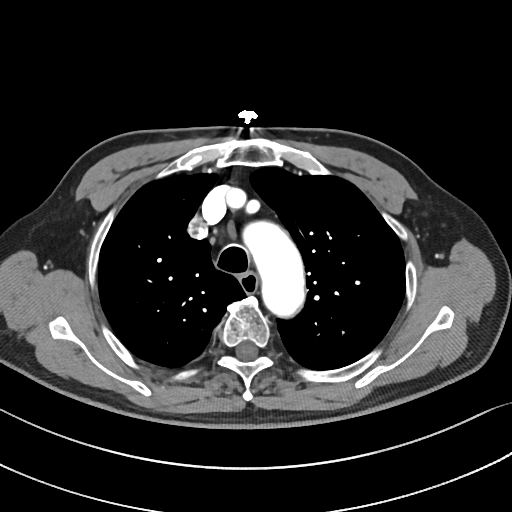
CT of the abdomen extending into the chest, slice through the chest; Axial slice 272/306; soft-tissue window (W 400 / L 40)
At this level of the chest this dataset labels only the esophagus and the aorta, and each is boxed only where it is labeled; the heart and lungs are never labeled. Boxes are (x1, y1, x2, y2) in pixels. Labeled organs on this slice: aorta at (246, 223, 303, 314), esophagus at (241, 273, 256, 294).